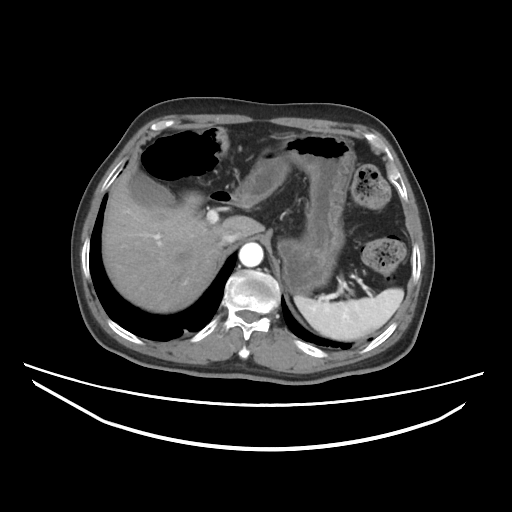 CT abdomen — axial view — W/L 400/40 HU — 512x512 px
<organs><organ name="spleen" x1="294" y1="288" x2="403" y2="340"/><organ name="gall bladder" x1="128" y1="170" x2="175" y2="207"/><organ name="liver" x1="102" y1="162" x2="264" y2="312"/><organ name="stomach" x1="233" y1="133" x2="355" y2="295"/><organ name="aorta" x1="239" y1="242" x2="263" y2="267"/><organ name="inferior vena cava" x1="218" y1="228" x2="241" y2="246"/><organ name="duodenum" x1="223" y1="196" x2="237" y2="204"/></organs>